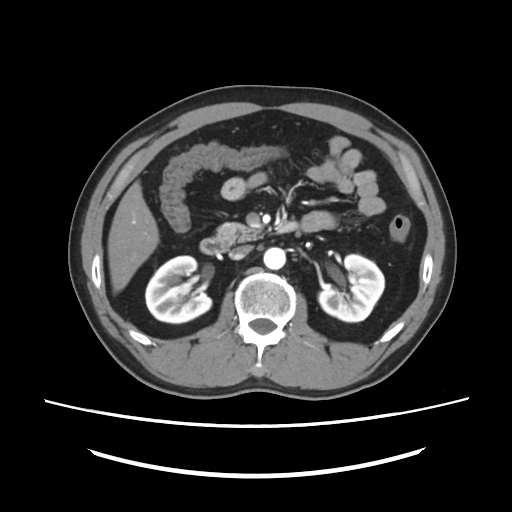

Abdominal CT; Axial slice 71/134; abdomen soft-tissue window; 512x512 px
Bounding boxes in pixels, one row per box: x1, y1 is the top-left corner and x2, y2 the bottom-right.
| organ | x1 | y1 | x2 | y2 |
|---|---|---|---|---|
| right kidney | 145 | 255 | 211 | 323 |
| left kidney | 318 | 254 | 384 | 321 |
| liver | 108 | 180 | 159 | 293 |
| aorta | 263 | 247 | 285 | 269 |
| inferior vena cava | 229 | 245 | 252 | 259 |
| pancreas | 216 | 222 | 261 | 246 |
| duodenum | 199 | 238 | 226 | 253 |